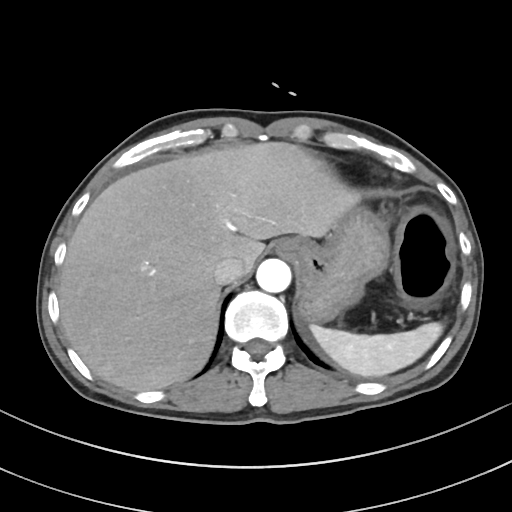 Abdominal CT · Axial slice 75/89
{"organs":{"spleen":[310,322,442,377],"esophagus":[276,238,304,256],"liver":[58,142,359,391],"stomach":[296,207,390,322],"aorta":[256,258,291,292],"inferior vena cava":[214,257,244,284]}}